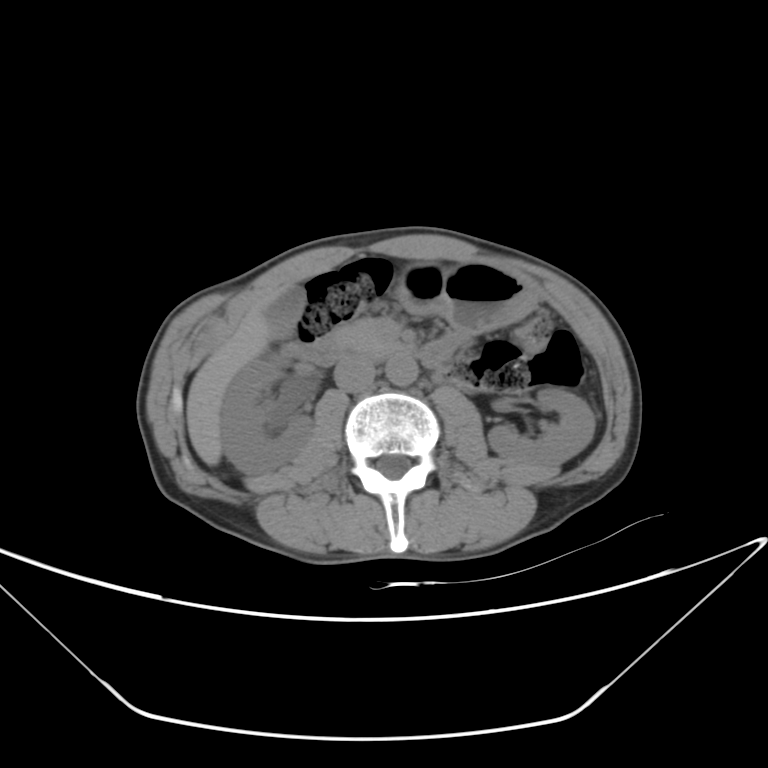
CT, abdomen/pelvis — Axial slice 57/79 — abdomen soft-tissue window — 768x768 px — 15 organs annotated in this scan (a whole-scan count: organs this slice does not pass through have no box)
Bounding boxes in pixels, one row per box: x1, y1 is the top-left corner and x2, y2 the bottom-right.
| organ | x1 | y1 | x2 | y2 |
|---|---|---|---|---|
| right kidney | 220 | 352 | 313 | 475 |
| left kidney | 488 | 386 | 595 | 471 |
| gall bladder | 264 | 286 | 304 | 339 |
| liver | 186 | 286 | 285 | 465 |
| stomach | 396 | 262 | 533 | 333 |
| aorta | 385 | 354 | 418 | 385 |
| inferior vena cava | 334 | 356 | 376 | 391 |
| pancreas | 328 | 319 | 399 | 358 |
| duodenum | 283 | 334 | 462 | 370 |